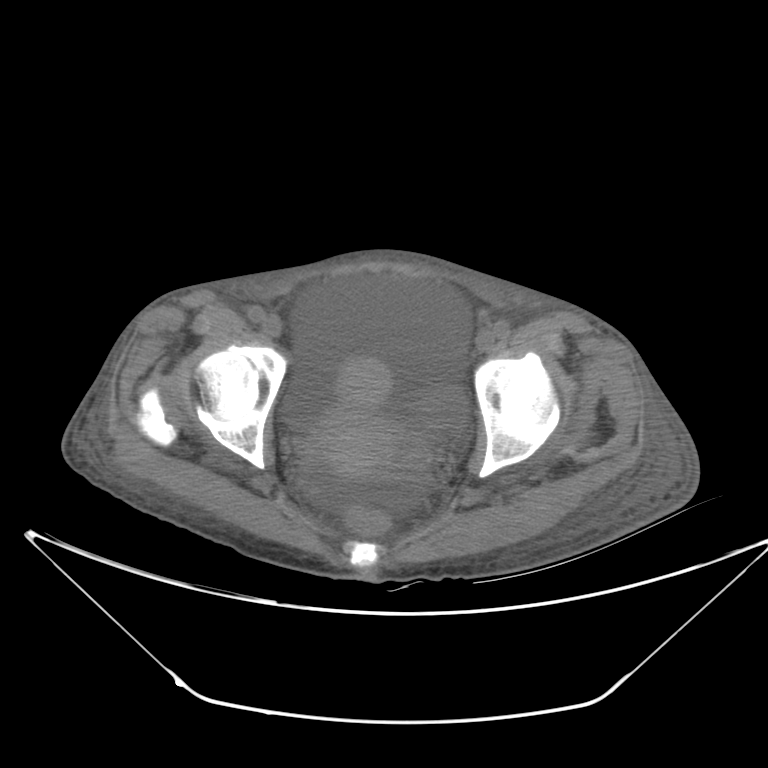 Computed tomography, abdomen. axial view
<organs><organ name="bladder" x1="413" y1="385" x2="467" y2="428"/><organ name="prostate/uterus" x1="315" y1="358" x2="395" y2="472"/></organs>